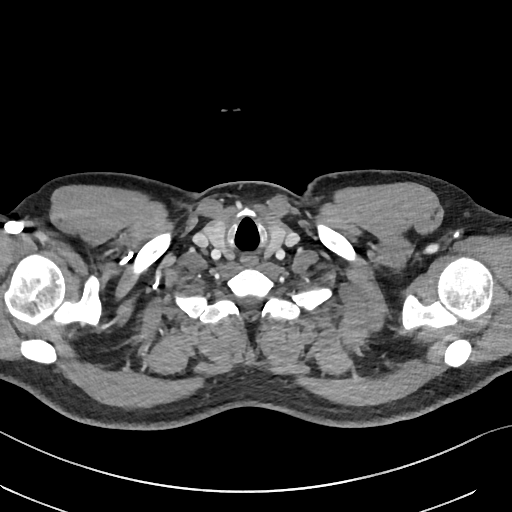
CT of the abdomen extending into the chest, slice through the chest — axial view — soft-tissue window (W 400 / L 40) — 512x512 px — scan has 15 labeled organs (a whole-scan count: organs this slice does not pass through have no box)
At this level of the chest this dataset labels only the esophagus and the aorta, and each is boxed only where it is labeled; the heart and lungs are never labeled.
{"organs":{"esophagus":[240,255,257,267]}}